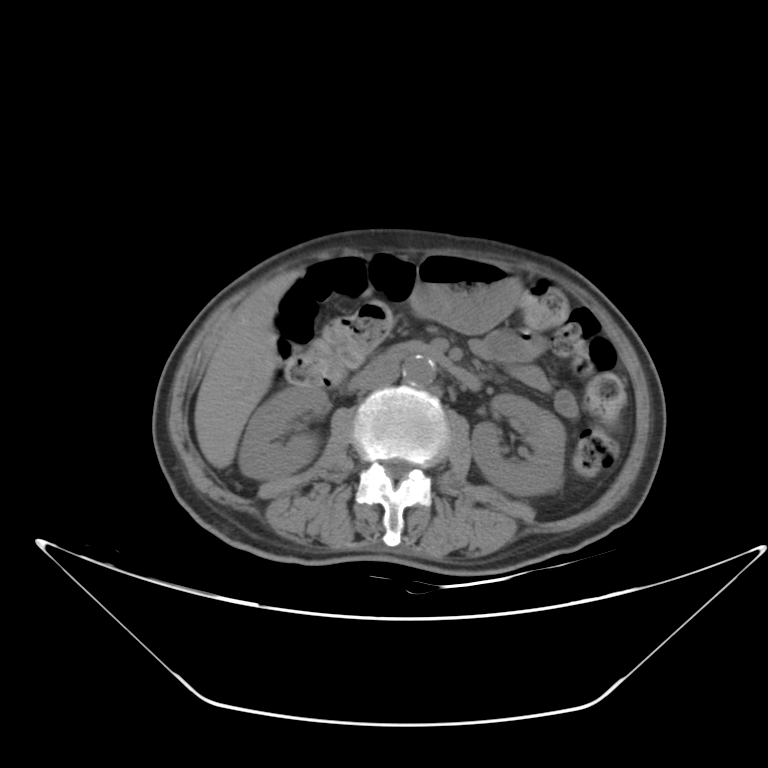

Abdominal CT — axial plane, index 57 — scan has 15 labeled organs (counted over the whole 3D scan, not this slice; an organ is boxed only where this slice passes through it)
Bounding boxes as [x1, y1, x2, y2] in pixel coordinates. The annotated organs in this slice are: stomach at [408, 252, 523, 332], liver at [194, 269, 302, 468], right kidney at [240, 387, 327, 480], duodenum at [350, 342, 480, 387], left kidney at [472, 393, 565, 495], inferior vena cava at [360, 358, 401, 391], aorta at [402, 354, 437, 387].